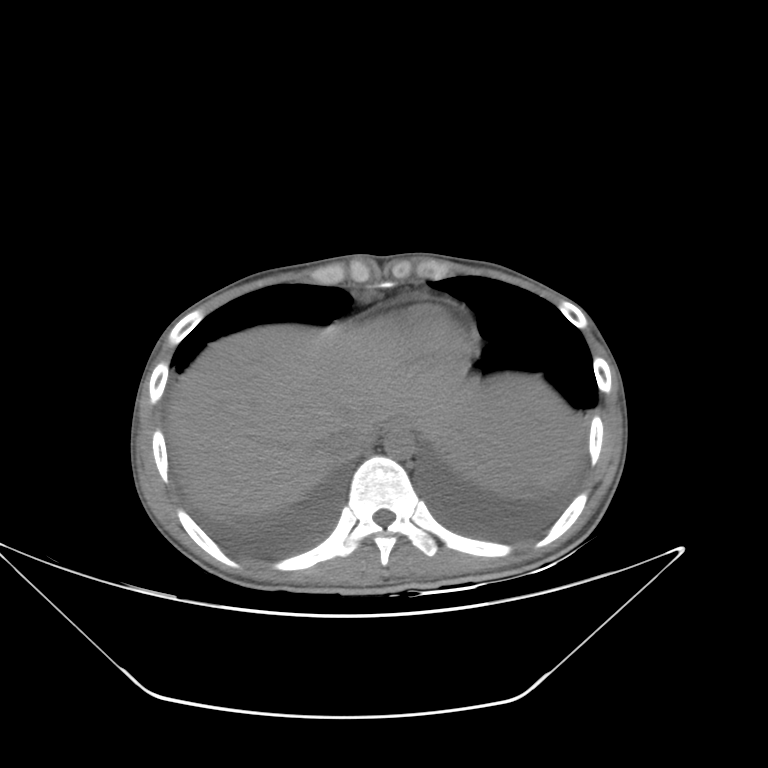 CT abdomen; axial plane, index 91; W/L 400/40 HU; 24-year-old male patient
{"organs":{"spleen":[463,417,585,489],"esophagus":[384,418,416,429],"liver":[167,323,581,518],"stomach":[451,458,463,464],"aorta":[384,429,414,459],"inferior vena cava":[323,421,372,462]}}